Computed tomography, abdomen · axial view · W/L 400/40 HU · 512x512 px · acquired on SOMATOM Force
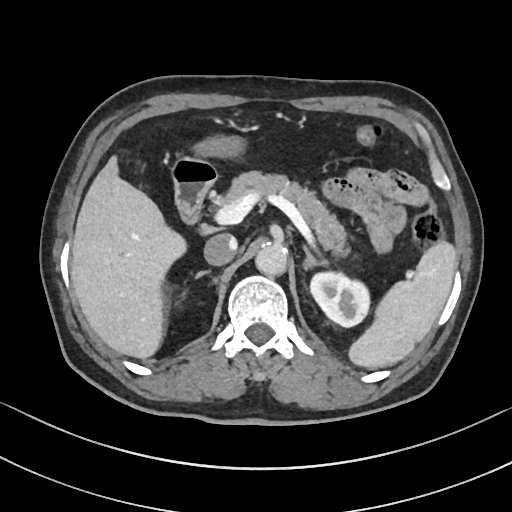

Boxes: x1 y1 x2 y2 (pixel coords, space-separated). The annotated organs in this slice are: liver at 71 155 186 359, pancreas at 219 171 350 256, stomach at 195 138 243 156, aorta at 255 245 287 276, duodenum at 169 159 217 223, right adrenal gland at 195 269 210 278, inferior vena cava at 204 234 236 266, left adrenal gland at 303 247 329 272, left kidney at 309 273 370 326, spleen at 347 241 456 369.